CT abdomen; axial view; abdomen soft-tissue window
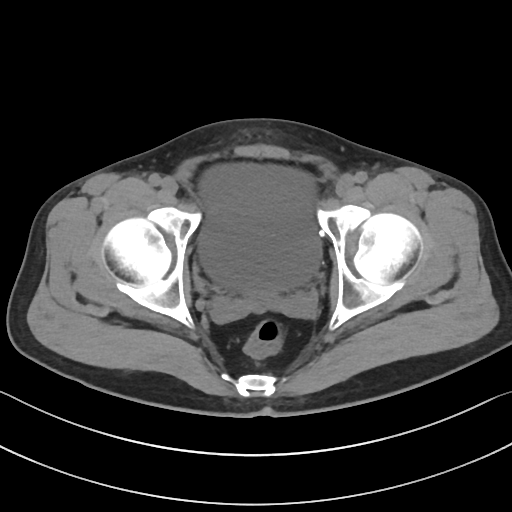 Box edges are left/top/right/bottom in pixels.
bladder: left=199, top=166, right=321, bottom=291